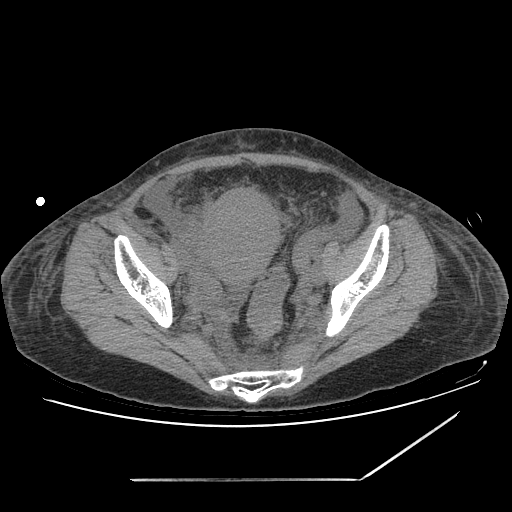 CT, abdomen/pelvis — Axial slice 39/191 — scan has 15 labeled organs (that count is for the whole scan; organs this slice misses have no box)
Boxes: x1:y1:x2:y2 in pixels. Labeled organs on this slice: prostate/uterus at 204:187:278:282.